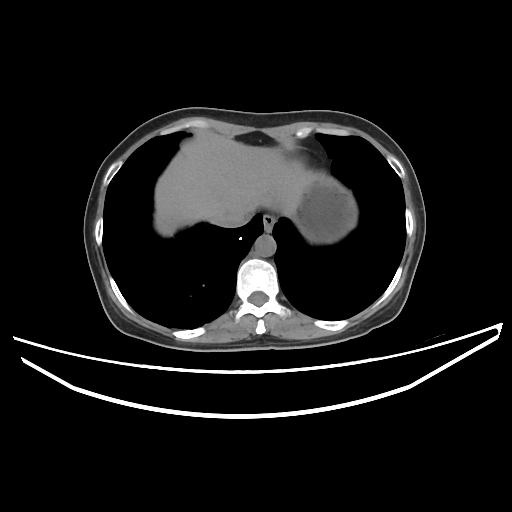
CT, abdomen/pelvis · Axial slice 79/81 · 512x512 px · Aquilion ONE scanner · 15 organs annotated in this scan (a whole-scan count: organs this slice does not pass through have no box)
<organs><organ name="esophagus" x1="263" y1="215" x2="275" y2="232"/><organ name="liver" x1="155" y1="134" x2="318" y2="235"/><organ name="stomach" x1="295" y1="175" x2="356" y2="242"/><organ name="aorta" x1="254" y1="234" x2="276" y2="256"/><organ name="inferior vena cava" x1="218" y1="210" x2="252" y2="227"/></organs>